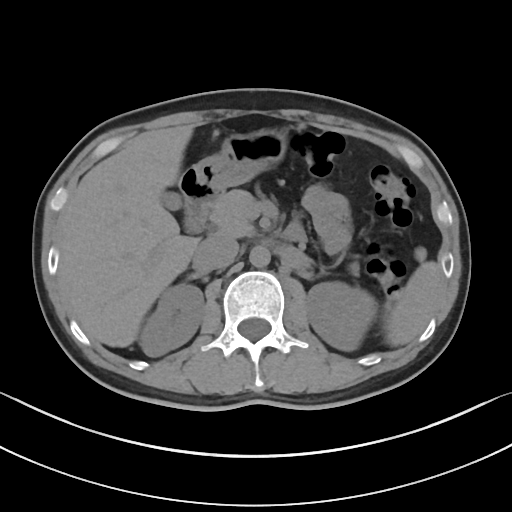 CT abdomen · axial plane, index 63 · W/L 400/40 HU · 15 organs annotated in this scan (that count is for the whole scan; organs this slice misses have no box)
One row per box, in pixels: columns x1 and y1 give the top-left corner, x2 and y2 the bottom-right.
| organ | x1 | y1 | x2 | y2 |
|---|---|---|---|---|
| spleen | 385 | 248 | 442 | 345 |
| right kidney | 139 | 283 | 204 | 356 |
| left kidney | 305 | 281 | 377 | 351 |
| gall bladder | 160 | 190 | 182 | 210 |
| liver | 58 | 125 | 199 | 347 |
| stomach | 191 | 129 | 287 | 196 |
| aorta | 249 | 246 | 270 | 267 |
| inferior vena cava | 195 | 236 | 238 | 269 |
| pancreas | 209 | 189 | 359 | 275 |
| duodenum | 179 | 168 | 305 | 241 |